CT of the abdomen extending into the chest, slice through the chest · axial view
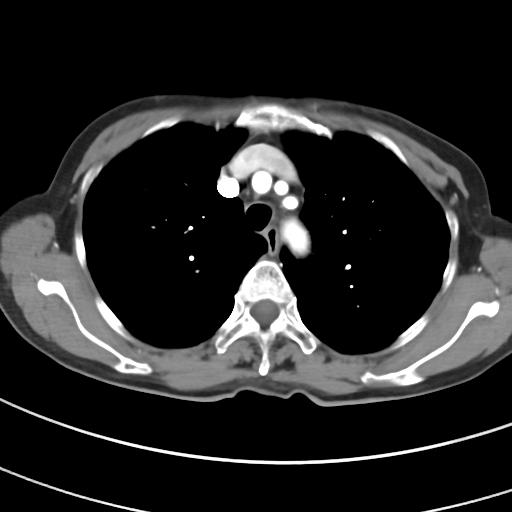 At this level of the chest this dataset labels only the esophagus and the aorta, and each is boxed only where it is labeled; the heart and lungs are never labeled.
<organs><organ name="esophagus" x1="264" y1="227" x2="279" y2="257"/><organ name="aorta" x1="281" y1="218" x2="309" y2="254"/></organs>